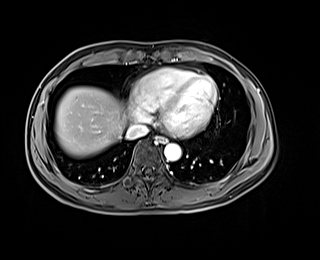 Magnetic resonance imaging, abdomen; axial view; 1st–99th percentile window; 320x260 px
{"organs":{"esophagus":[156,136,167,143],"liver":[55,87,127,156],"aorta":[164,143,181,161],"inferior vena cava":[125,124,148,139]}}